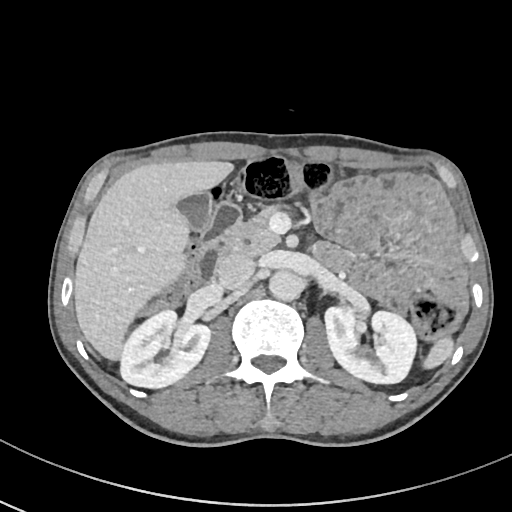

Computed tomography, abdomen — axial view
<organs><organ name="gall bladder" x1="177" y1="192" x2="212" y2="231"/><organ name="duodenum" x1="193" y1="201" x2="241" y2="281"/><organ name="pancreas" x1="228" y1="201" x2="291" y2="255"/><organ name="inferior vena cava" x1="216" y1="252" x2="255" y2="292"/><organ name="liver" x1="73" y1="159" x2="234" y2="362"/><organ name="right kidney" x1="121" y1="311" x2="211" y2="389"/><organ name="aorta" x1="269" y1="271" x2="301" y2="301"/><organ name="left kidney" x1="324" y1="305" x2="415" y2="383"/><organ name="spleen" x1="422" y1="335" x2="452" y2="369"/></organs>